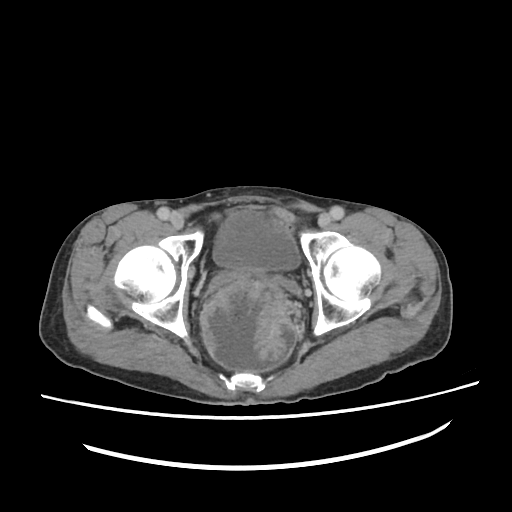
CT, abdomen/pelvis; axial view; 72-year-old male patient
Boxes are (x1, y1, x2, y2) in pixels.
Organ bounding boxes:
- bladder: (213, 212, 297, 268)